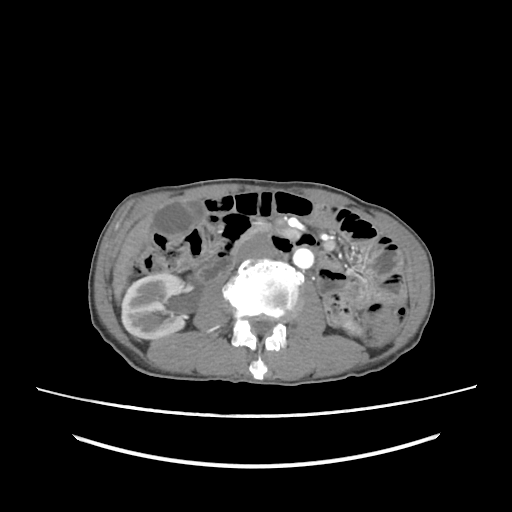

Computed tomography, abdomen. axial view. abdomen soft-tissue window. 512x512 px
{"organs":{"aorta":[293,248,313,269],"liver":[112,213,153,301],"gall bladder":[154,200,205,235],"inferior vena cava":[237,234,275,259],"right kidney":[121,272,185,339],"pancreas":[249,223,269,233],"duodenum":[195,213,253,284],"left kidney":[344,321,360,334]}}